CT of the abdomen extending into the chest, slice through the chest; axial view; soft-tissue window (W 400 / L 40); SOMATOM Force scanner
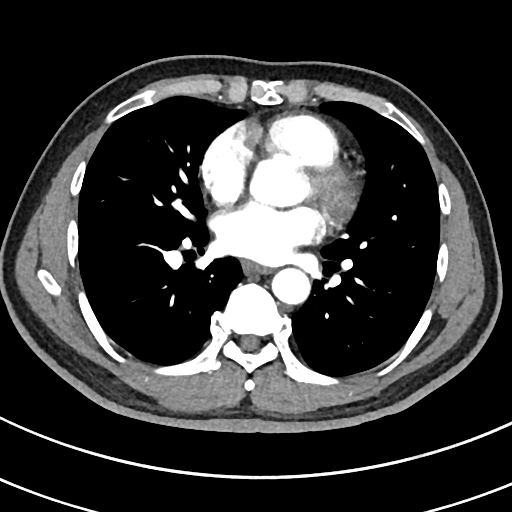
At this level of the chest no structure but the esophagus and the aorta has a label in this dataset, and those two are boxed only where they are labeled.
<organs><organ name="aorta" x1="271" y1="268" x2="310" y2="304"/><organ name="esophagus" x1="242" y1="262" x2="268" y2="274"/></organs>